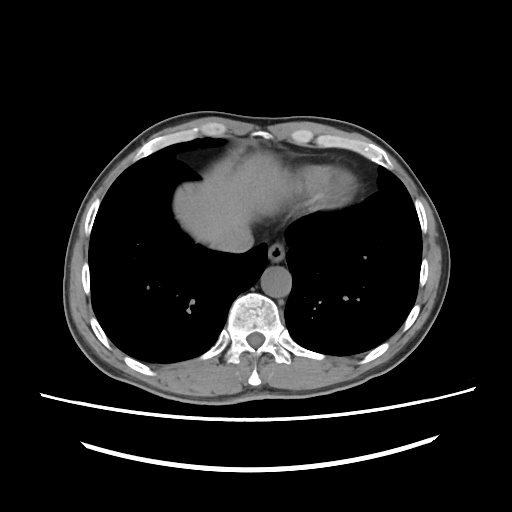

CT abdomen. axial view. W/L 400/40 HU
Boxes are (x1, y1, x2, y2) in pixels. The annotated organs in this slice are: esophagus at (268, 244, 284, 262), liver at (174, 150, 284, 245), aorta at (260, 267, 292, 297), inferior vena cava at (216, 230, 254, 253).